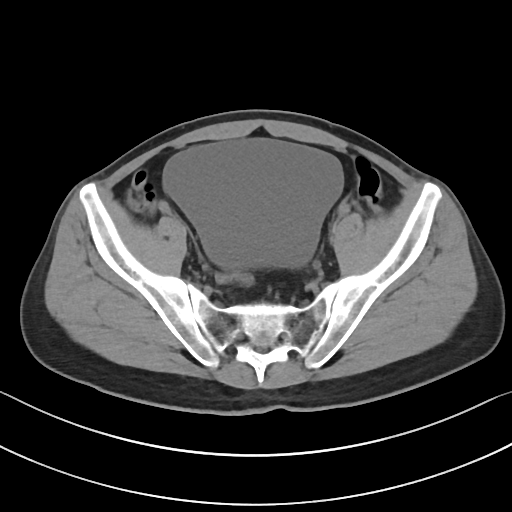
Abdominal CT. axial view. abdomen soft-tissue window
Box edges are left/top/right/bottom in pixels.
bladder: left=162, top=139, right=342, bottom=268